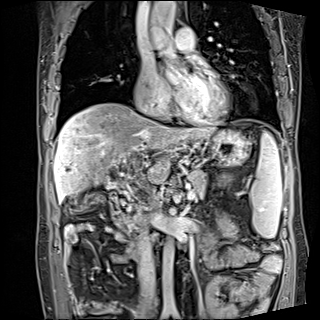 Magnetic resonance imaging, abdomen · coronal acquisition · 1st–99th percentile window · Prisma scanner
One row per box, in pixels: columns x1 and y1 give the top-left corner, x2 and y2 the bottom-right.
| organ | x1 | y1 | x2 | y2 |
|---|---|---|---|---|
| inferior vena cava | 138 | 228 | 155 | 304 |
| duodenum | 110 | 190 | 153 | 260 |
| pancreas | 123 | 169 | 206 | 228 |
| liver | 54 | 102 | 214 | 202 |
| stomach | 209 | 129 | 249 | 165 |
| aorta | 149 | 1 | 176 | 51 |
| aorta | 163 | 241 | 176 | 310 |
| spleen | 250 | 131 | 281 | 238 |